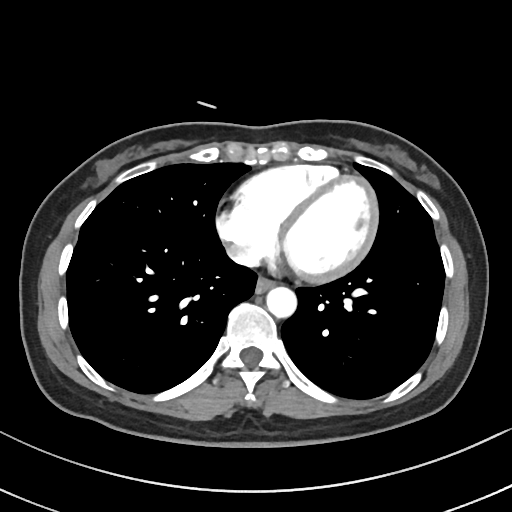

CT of the abdomen reaching into the lower chest, slice just above the liver and spleen — axial view
Of the structures in the chest, this dataset labels only the esophagus, the aorta and the inferior vena cava; the heart and lungs have no label.
Coordinates as <box>x1,y1,x2,y2</box> in pixels.
Organ bounding boxes:
- esophagus: <box>256,276,274,292</box>
- inferior vena cava: <box>225,244,259,266</box>
- aorta: <box>266,286,296,316</box>